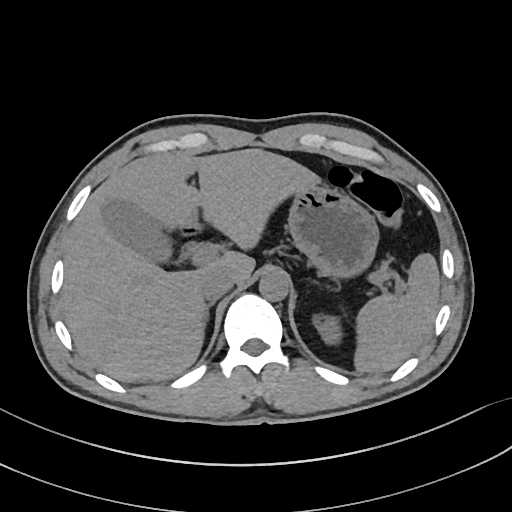

CT abdomen — axial view — W/L 400/40 HU — SOMATOM Force scanner — 15 organs annotated in this scan (counted over the whole 3D scan, not this slice; an organ is boxed only where this slice passes through it)
Boxes are (x1, y1, x2, y2) in pixels.
Organ bounding boxes:
- spleen: (354, 253, 440, 373)
- left kidney: (313, 314, 339, 344)
- gall bladder: (102, 199, 172, 261)
- liver: (61, 148, 320, 382)
- stomach: (192, 183, 378, 277)
- aorta: (259, 270, 289, 300)
- inferior vena cava: (198, 267, 234, 300)
- right adrenal gland: (204, 302, 213, 323)
- duodenum: (183, 223, 196, 233)